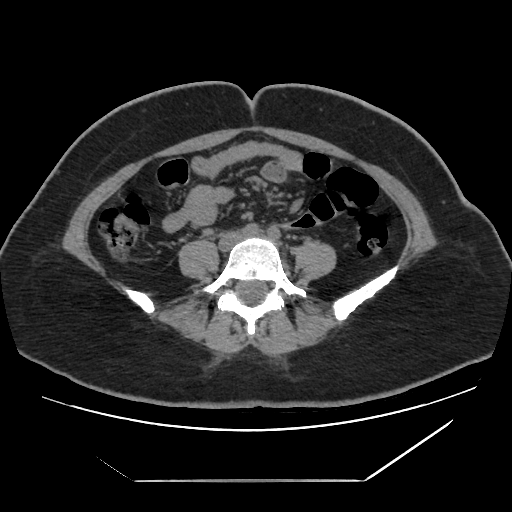

CT abdomen; axial view; abdomen soft-tissue window; 512x512 px; acquired on SOMATOM Force
Boxes: x1:y1:x2:y2 in pixels. The annotated organs in this slice are: aorta at 246:223:258:233, aorta at 267:226:278:237.